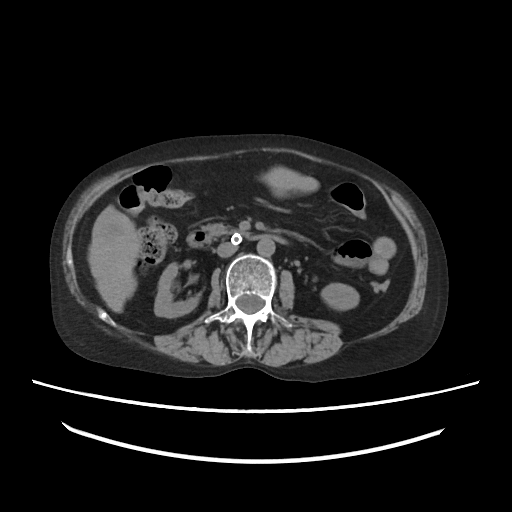
CT abdomen — axial plane, index 53 — soft-tissue window — 61-year-old female patient
<organs><organ name="right kidney" x1="154" y1="263" x2="199" y2="317"/><organ name="liver" x1="88" y1="166" x2="319" y2="312"/><organ name="left kidney" x1="321" y1="283" x2="359" y2="310"/><organ name="aorta" x1="257" y1="240" x2="275" y2="256"/><organ name="duodenum" x1="186" y1="229" x2="286" y2="247"/><organ name="pancreas" x1="204" y1="223" x2="235" y2="237"/><organ name="inferior vena cava" x1="217" y1="242" x2="237" y2="256"/></organs>